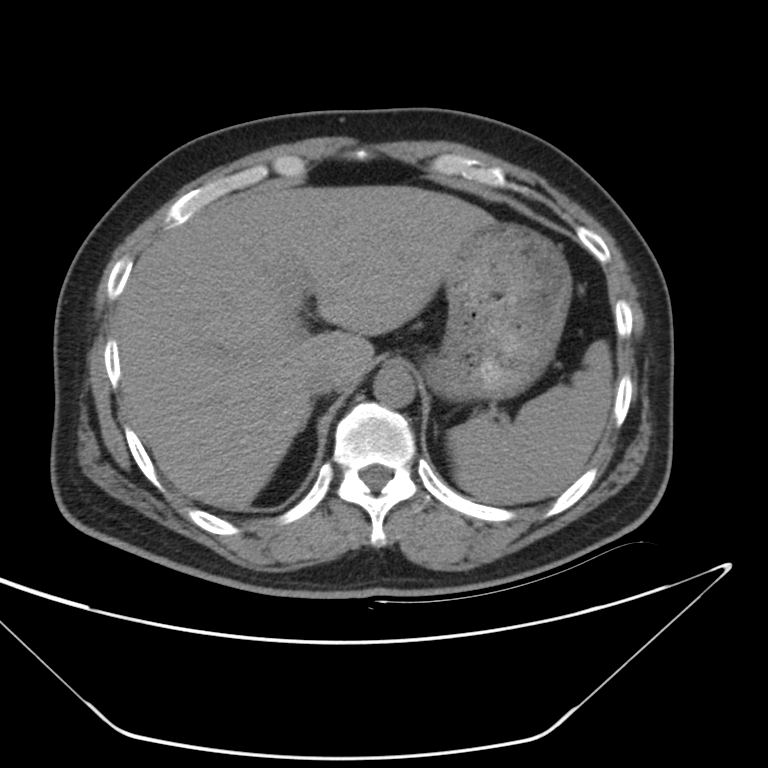
Computed tomography, abdomen; axial view; 50-year-old male patient; Brilliance16 scanner
{"organs":{"spleen":[449,339,614,504],"liver":[117,184,485,510],"stomach":[423,213,571,404],"aorta":[374,365,416,407],"inferior vena cava":[301,362,338,399],"right adrenal gland":[297,404,310,434]}}